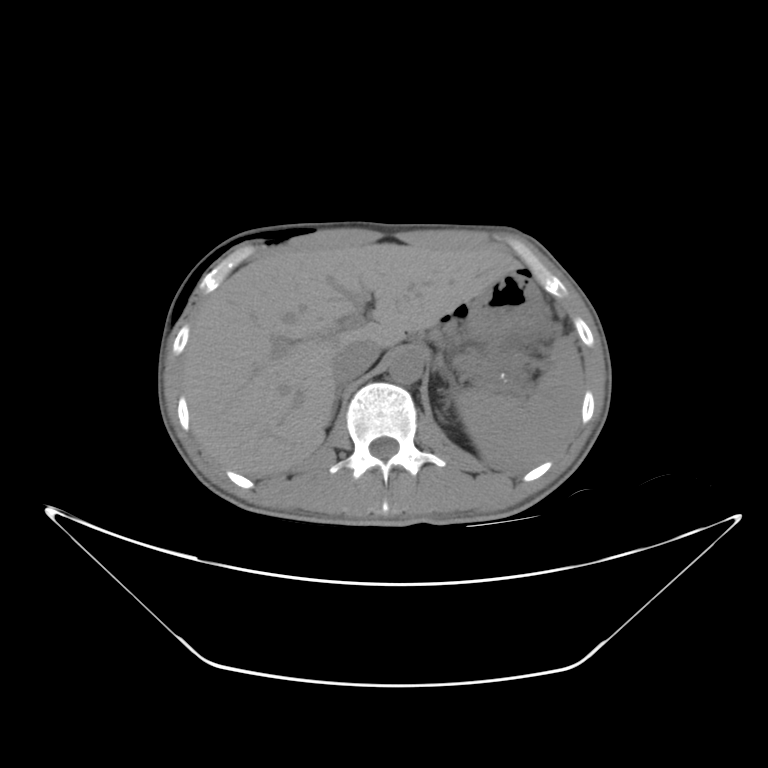 CT abdomen; axial plane, index 72; W/L 400/40 HU; 768x768 px
Boxes are (x1, y1, x2, y2) in pixels.
spleen: (452, 337, 584, 472)
liver: (182, 245, 522, 476)
stomach: (466, 278, 545, 344)
aorta: (387, 352, 421, 382)
inferior vena cava: (329, 338, 380, 378)
pancreas: (481, 353, 510, 381)
right adrenal gland: (330, 382, 343, 418)